Computed tomography, abdomen. axial view. abdomen soft-tissue window. 512x512 px. acquired on Aquilion ONE. 15 organs annotated in this scan (that count is for the whole scan; organs this slice misses have no box)
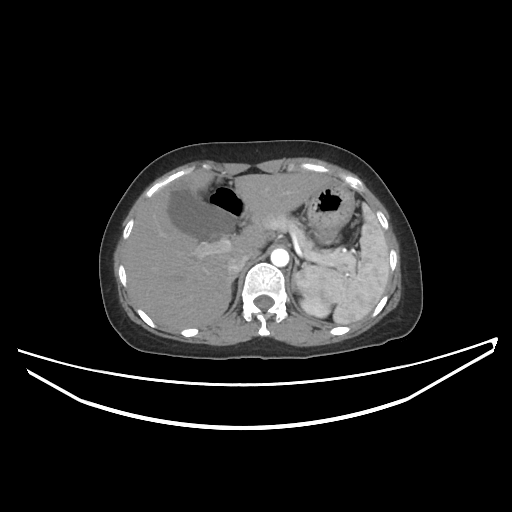
Bounding boxes as [x1, y1, x2, y2] in pixel coordinates.
Organ bounding boxes:
- stomach: [306, 182, 355, 243]
- spleen: [295, 203, 389, 324]
- pancreas: [252, 213, 356, 272]
- gall bladder: [168, 187, 234, 240]
- liver: [123, 170, 332, 329]
- left adrenal gland: [291, 258, 298, 291]
- left kidney: [300, 297, 330, 317]
- aorta: [271, 248, 289, 266]
- duodenum: [220, 190, 245, 218]
- inferior vena cava: [227, 253, 248, 274]
- right adrenal gland: [231, 274, 238, 282]